Chest-level CT slice, above the liver and spleen — axial view — soft-tissue window (W 400 / L 40) — 512x512 px
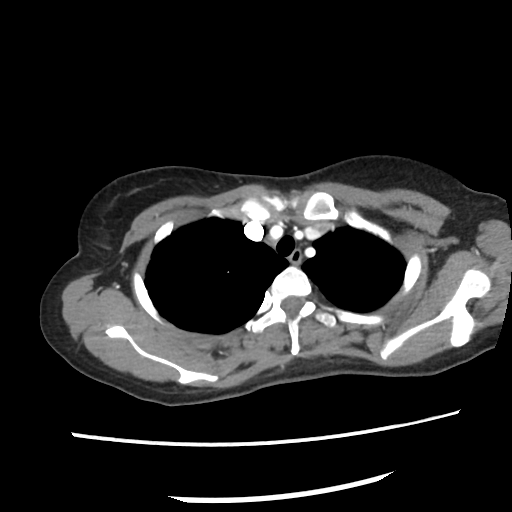
At this level of the chest this dataset labels only the esophagus and the aorta, and each is boxed only where it is labeled; the heart and lungs are never labeled.
Each box given as x1,y1,x2,y2.
esophagus: x1=288, y1=249, x2=301, y2=266